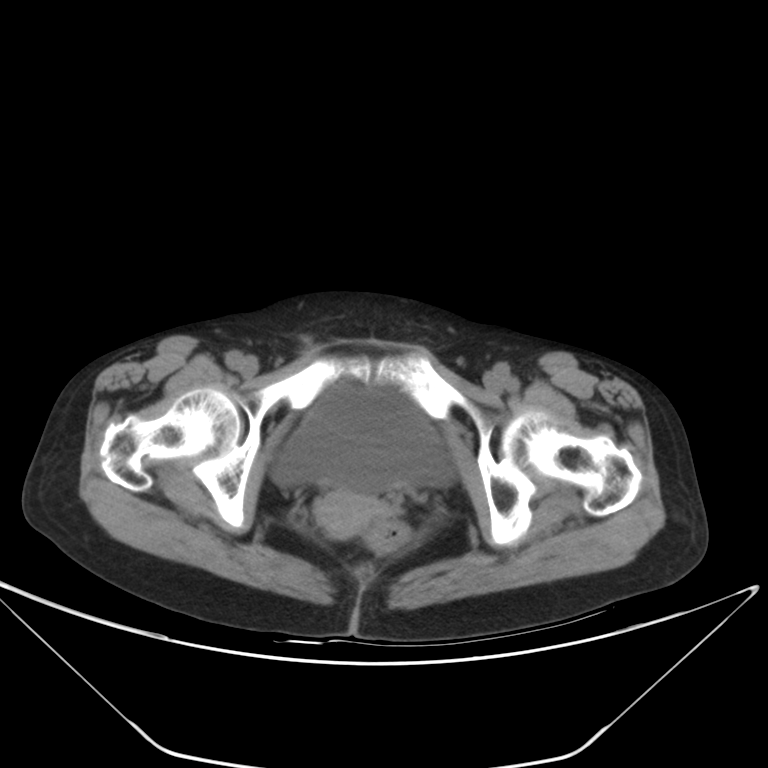
Computed tomography, abdomen. axial view. abdomen soft-tissue window. 768x768 px. acquired on Brilliance16
<organs><organ name="bladder" x1="274" y1="386" x2="451" y2="494"/><organ name="prostate/uterus" x1="313" y1="488" x2="387" y2="538"/></organs>